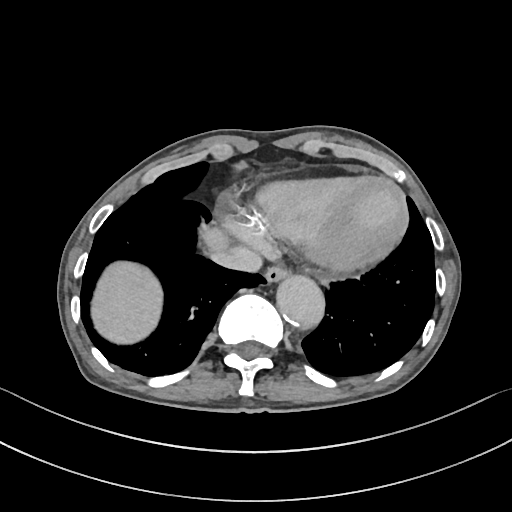 CT abdomen · axial view · abdomen soft-tissue window · acquired on SOMATOM Force
<organs><organ name="esophagus" x1="265" y1="266" x2="288" y2="281"/><organ name="liver" x1="90" y1="225" x2="231" y2="344"/><organ name="aorta" x1="277" y1="276" x2="325" y2="330"/><organ name="inferior vena cava" x1="211" y1="244" x2="263" y2="273"/></organs>